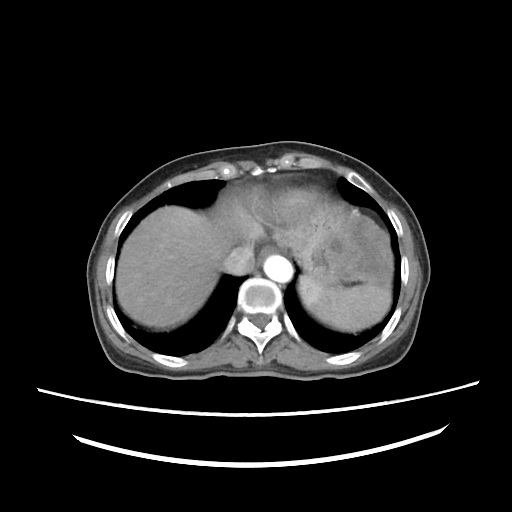
CT, abdomen/pelvis. axial plane, index 75
Bounding boxes as [x1, y1, x2, y2] in pixel coordinates.
Organ bounding boxes:
- inferior vena cava: [218, 244, 254, 275]
- spleen: [298, 274, 390, 331]
- esophagus: [257, 244, 277, 266]
- liver: [115, 207, 229, 327]
- aorta: [263, 255, 292, 283]
- stomach: [275, 205, 392, 287]